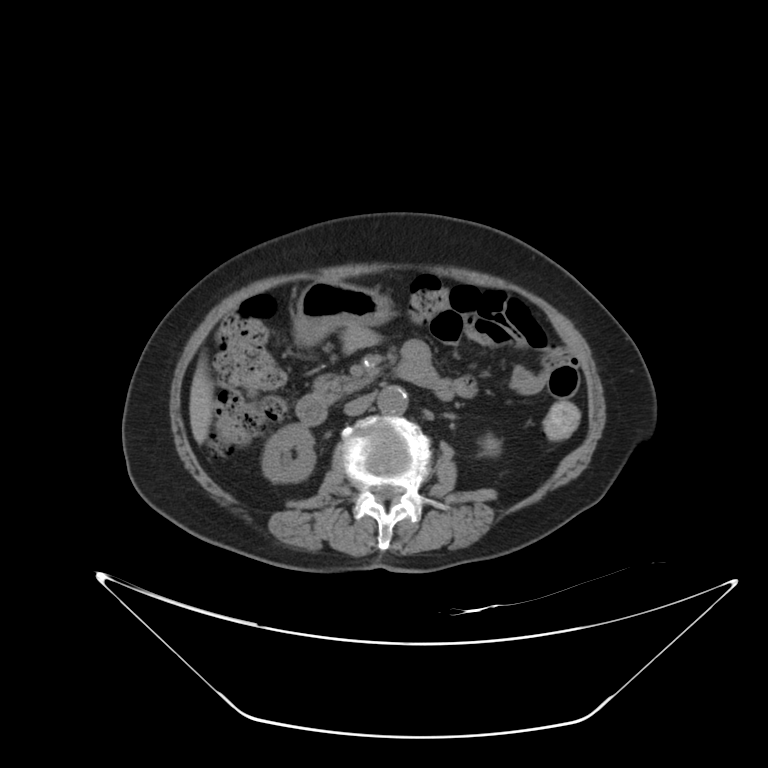
Computed tomography, abdomen · axial view
Boxes are (x1, y1, x2, y2) in pixels. The annotated organs in this slice are: right kidney at (262, 424, 314, 482), left kidney at (483, 437, 499, 454), liver at (189, 364, 213, 443), stomach at (294, 280, 391, 344), aorta at (377, 385, 407, 414), inferior vena cava at (344, 394, 373, 416), pancreas at (313, 373, 373, 400), duodenum at (296, 360, 441, 425).